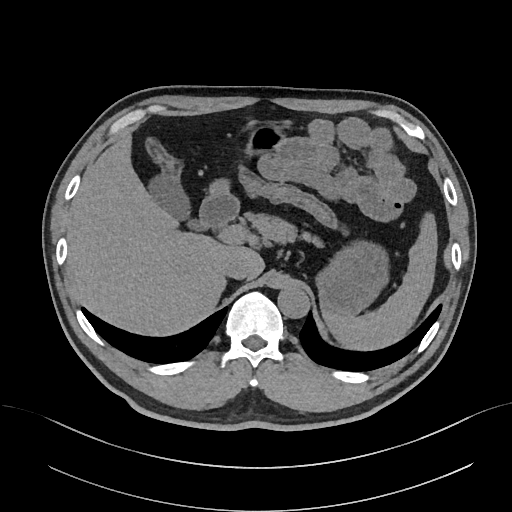

Computed tomography, abdomen; axial view; soft-tissue window (W 400 / L 40); acquired on SOMATOM Force; scan has 15 labeled organs (a whole-scan count: organs this slice does not pass through have no box)
Bounding boxes in pixels, one row per box: x1, y1 is the top-left corner and x2, y2 the bottom-right.
| organ | x1 | y1 | x2 | y2 |
|---|---|---|---|---|
| spleen | 323 | 213 | 438 | 351 |
| inferior vena cava | 220 | 254 | 250 | 278 |
| duodenum | 199 | 192 | 238 | 229 |
| aorta | 277 | 285 | 309 | 317 |
| gall bladder | 151 | 178 | 187 | 217 |
| pancreas | 244 | 211 | 313 | 242 |
| liver | 67 | 135 | 264 | 337 |
| stomach | 210 | 123 | 385 | 315 |